Abdominal CT; Axial slice 69/132; W/L 400/40 HU; 47-year-old male patient; Aquilion ONE scanner
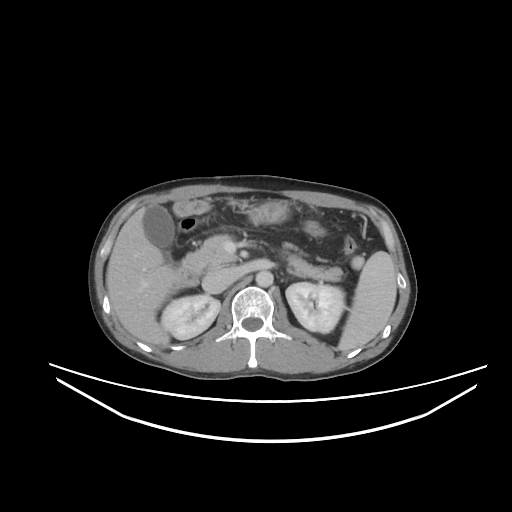

Organ boxes in pixel coordinates; each row gives the top-left (x1, y1) and bottom-right (x2, y2) corners.
| organ | x1 | y1 | x2 | y2 |
|---|---|---|---|---|
| spleen | 338 | 251 | 396 | 351 |
| right kidney | 161 | 295 | 220 | 339 |
| left kidney | 286 | 282 | 344 | 333 |
| gall bladder | 143 | 204 | 174 | 248 |
| liver | 106 | 207 | 177 | 345 |
| stomach | 249 | 200 | 289 | 224 |
| aorta | 255 | 270 | 273 | 287 |
| inferior vena cava | 202 | 267 | 239 | 293 |
| pancreas | 183 | 234 | 343 | 281 |
| left adrenal gland | 286 | 268 | 301 | 276 |
| duodenum | 176 | 264 | 201 | 286 |